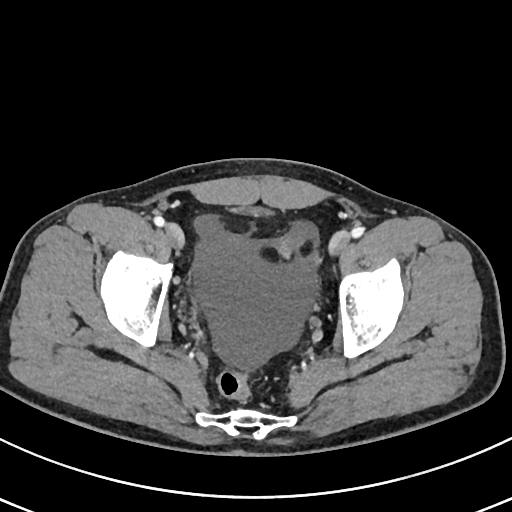

CT, abdomen/pelvis; axial view; W/L 400/40 HU
<organs><organ name="bladder" x1="231" y1="206" x2="271" y2="213"/></organs>